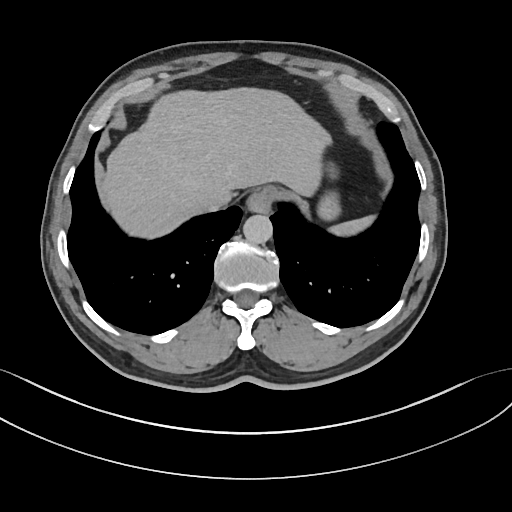
CT abdomen · Axial slice 192/224 · 512x512 px
Box edges are left/top/right/bottom in pixels. Labeled organs on this slice: spleen at left=328, top=213, right=374, bottom=237, esophagus at left=247, top=185, right=280, bottom=212, liver at left=100, top=86, right=331, bottom=239, stomach at left=317, top=163, right=340, bottom=222, aorta at left=242, top=214, right=272, bottom=243, inferior vena cava at left=199, top=189, right=228, bottom=212.